CT abdomen; axial view; W/L 400/40 HU; acquired on Brilliance16; scan has 15 labeled organs (counted over the whole 3D scan, not this slice; an organ is boxed only where this slice passes through it)
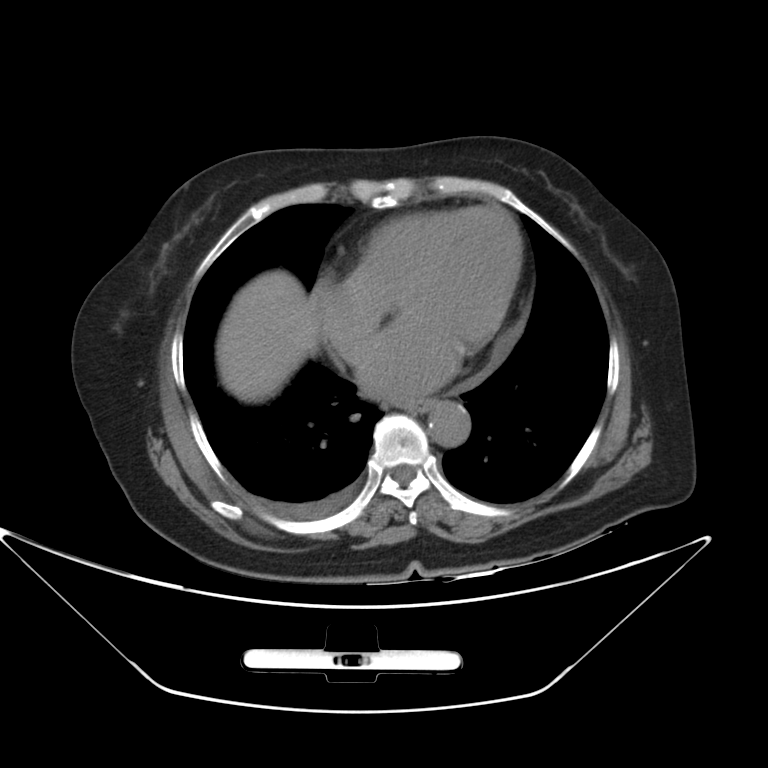 Box edges are left/top/right/bottom in pixels.
esophagus: left=397, top=397, right=432, bottom=411
liver: left=217, top=271, right=318, bottom=402
aorta: left=428, top=402, right=471, bottom=446